Abdominal CT · axial view · W/L 400/40 HU · 512x512 px · SOMATOM Force scanner
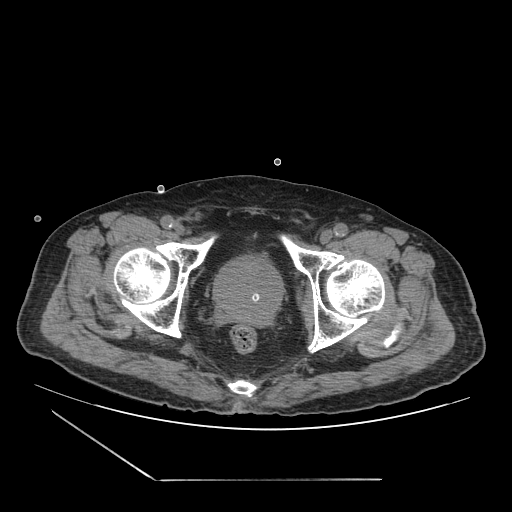

Boxes are (x1, y1, x2, y2) in pixels.
Organ bounding boxes:
- prostate/uterus: (213, 257, 283, 317)